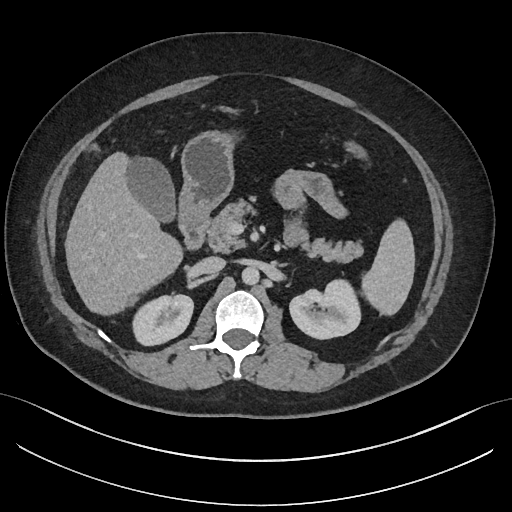 CT, abdomen/pelvis. axial plane, index 152. soft-tissue window
<organs><organ name="spleen" x1="361" y1="219" x2="414" y2="315"/><organ name="right kidney" x1="134" y1="295" x2="193" y2="345"/><organ name="left kidney" x1="289" y1="277" x2="359" y2="339"/><organ name="gall bladder" x1="128" y1="156" x2="176" y2="223"/><organ name="liver" x1="65" y1="151" x2="184" y2="315"/><organ name="stomach" x1="180" y1="129" x2="234" y2="229"/><organ name="aorta" x1="242" y1="267" x2="260" y2="285"/><organ name="inferior vena cava" x1="194" y1="256" x2="225" y2="274"/><organ name="pancreas" x1="207" y1="195" x2="363" y2="263"/><organ name="duodenum" x1="180" y1="224" x2="308" y2="247"/></organs>